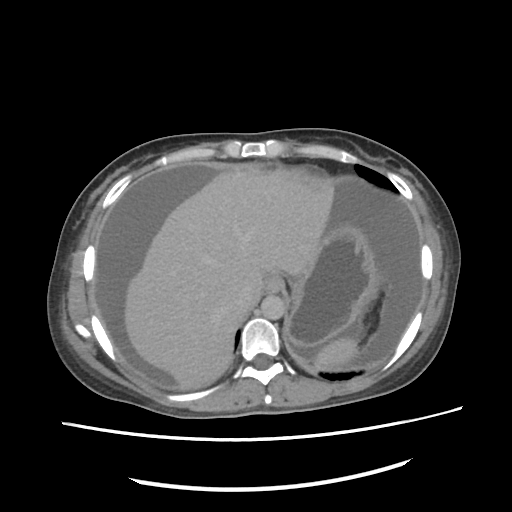 CT, abdomen/pelvis; axial view; soft-tissue window (W 400 / L 40); 39-year-old female patient
{"organs":{"spleen":[312,336,360,367],"esophagus":[265,275,281,291],"liver":[124,169,334,389],"stomach":[285,224,376,349],"aorta":[260,294,284,320],"inferior vena cava":[238,286,260,314]}}